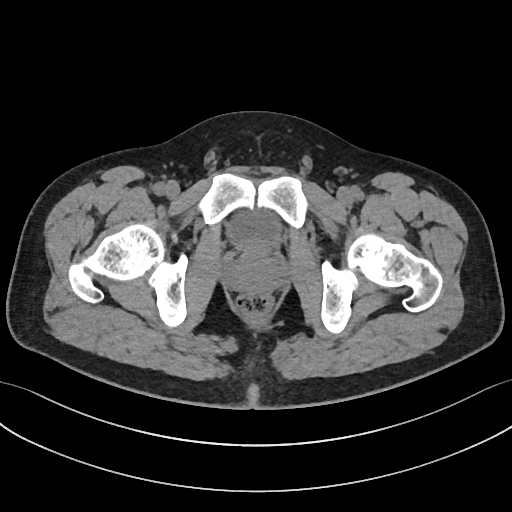 Abdominal CT — axial view — W/L 400/40 HU — 512x512 px
Box edges are left/top/right/bottom in pixels. Labeled organs on this slice: bladder at left=224, top=209, right=282, bottom=252, prostate/uterus at left=228, top=251, right=282, bottom=292.